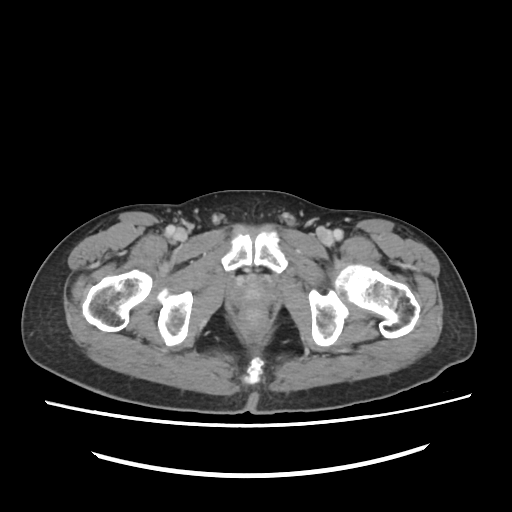

CT abdomen · axial view · 45-year-old male patient
Boxes: x1 y1 x2 y2 (pixel coords, space-separated).
Organ bounding boxes:
- prostate/uterus: 235 278 271 309